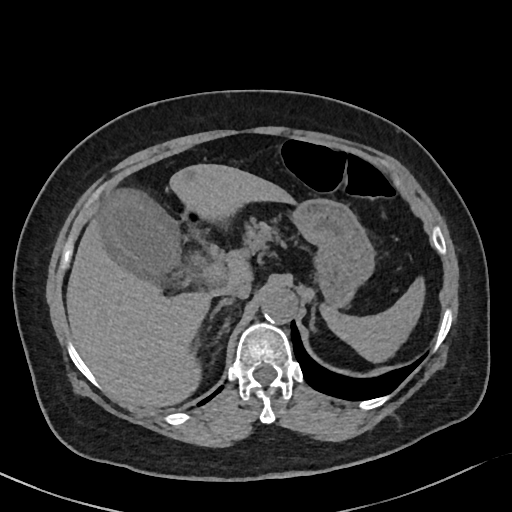

Computed tomography, abdomen · Axial slice 152/192 · 512x512 px · scan has 15 labeled organs (counted over the whole 3D scan, not this slice; an organ is boxed only where this slice passes through it)
Boxes are (x1, y1, x2, y2) in pixels.
spleen: (323, 278, 424, 363)
gall bladder: (98, 187, 181, 279)
liver: (67, 164, 291, 408)
stomach: (292, 198, 373, 306)
aorta: (261, 287, 297, 322)
inferior vena cava: (220, 284, 251, 298)
pancreas: (240, 217, 271, 254)
right adrenal gland: (210, 297, 233, 328)
left adrenal gland: (309, 301, 316, 329)
duodenum: (181, 209, 210, 232)